CT, abdomen/pelvis; axial plane, index 94; W/L 400/40 HU; scan has 15 labeled organs (a whole-scan count: organs this slice does not pass through have no box)
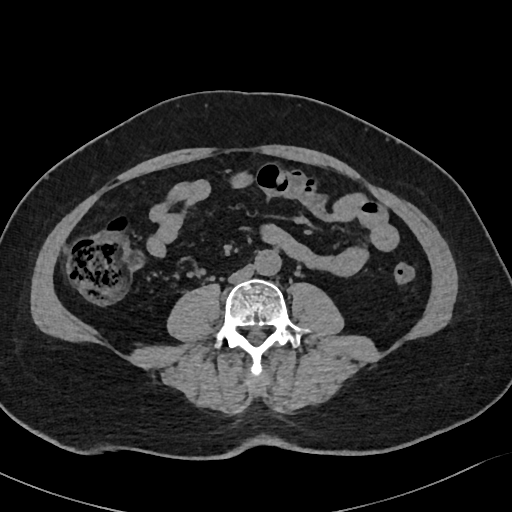 <organs><organ name="aorta" x1="255" y1="250" x2="282" y2="275"/><organ name="inferior vena cava" x1="228" y1="265" x2="254" y2="283"/></organs>